Abdominal CT · axial plane, index 75 · W/L 400/40 HU · 512x512 px
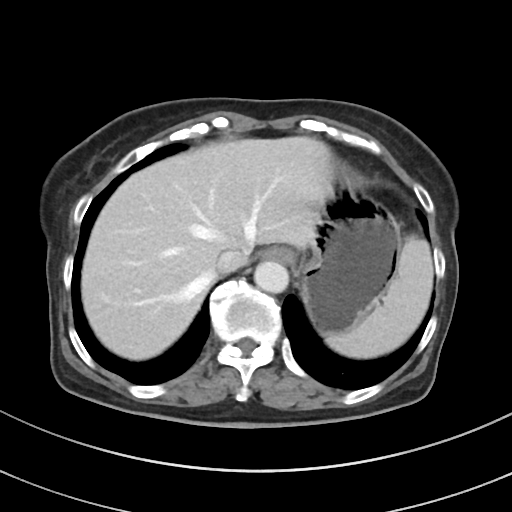 Box edges are left/top/right/bottom in pixels.
Organ bounding boxes:
- aorta: left=254, top=261, right=289, bottom=293
- esophagus: left=262, top=247, right=293, bottom=262
- stomach: left=301, top=164, right=401, bottom=335
- spleen: left=325, top=236, right=433, bottom=358
- inferior vena cava: left=215, top=248, right=248, bottom=273
- liver: left=81, top=136, right=334, bottom=360